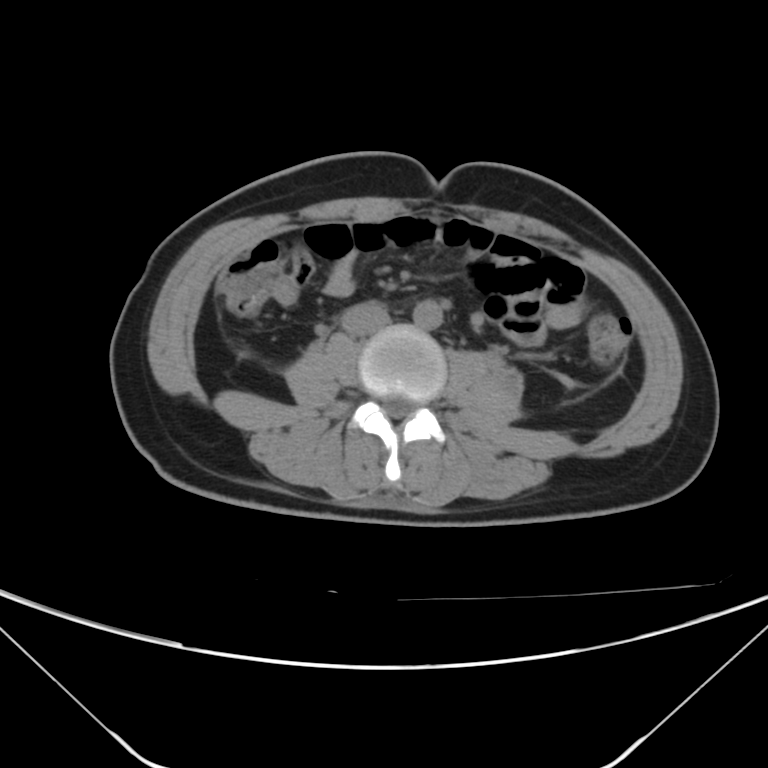 Abdominal CT · Axial slice 49/100 · soft-tissue window (W 400 / L 40)
Organ boxes in pixel coordinates; each row gives the top-left (x1, y1) and bottom-right (x2, y2) corners.
| organ | x1 | y1 | x2 | y2 |
|---|---|---|---|---|
| aorta | 413 | 299 | 443 | 329 |
| inferior vena cava | 342 | 301 | 390 | 336 |